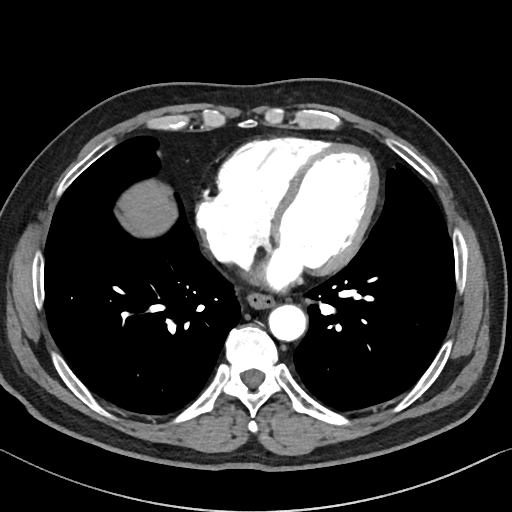 CT, abdomen/pelvis; Axial slice 212/245; soft-tissue window; 512x512 px; acquired on SOMATOM Force; 15 organs annotated in this scan (that count is for the whole scan; organs this slice misses have no box)
Boxes: x1:y1:x2:y2 in pixels. Labeled organs on this slice: liver at 117:179:177:237, aorta at 268:304:306:341, esophagus at 247:292:275:309.